Computed tomography, abdomen — Axial slice 37/235 — 512x512 px
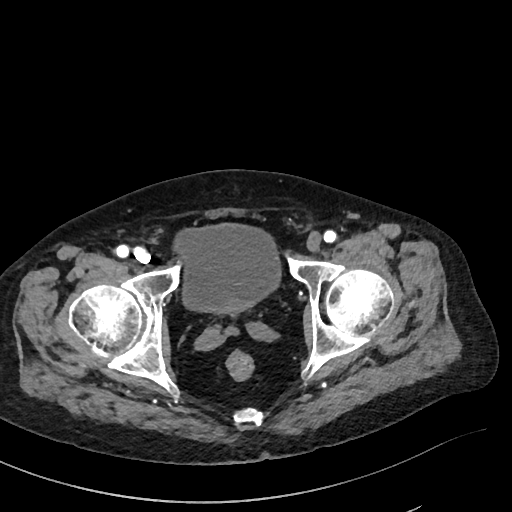

Coordinates as <box>x1,y1,x2,y2</box> in pixels.
bladder: <box>174,224,280,312</box>